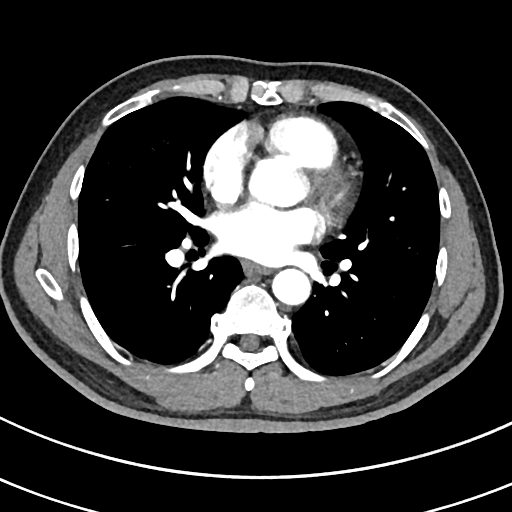 Abdominal CT reaching into the chest; this slice is in the chest; axial view; soft-tissue window (W 400 / L 40); 512x512 px
At this level of the chest no structure but the esophagus and the aorta has a label in this dataset, and those two are boxed only where they are labeled.
<organs><organ name="esophagus" x1="242" y1="262" x2="268" y2="274"/><organ name="aorta" x1="271" y1="268" x2="310" y2="304"/></organs>